CT of the abdomen extending into the chest, slice through the chest. axial view. W/L 400/40 HU. 15 organs annotated in this scan (that count is for the whole scan; organs this slice misses have no box)
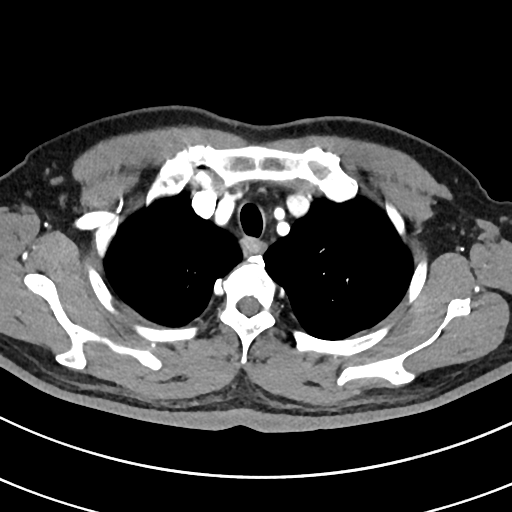
At this level of the chest no structure but the esophagus and the aorta has a label in this dataset, and those two are boxed only where they are labeled.
Bounding boxes in pixels, one row per box: x1, y1 is the top-left corner and x2, y2 the bottom-right.
| organ | x1 | y1 | x2 | y2 |
|---|---|---|---|---|
| esophagus | 239 | 236 | 267 | 255 |